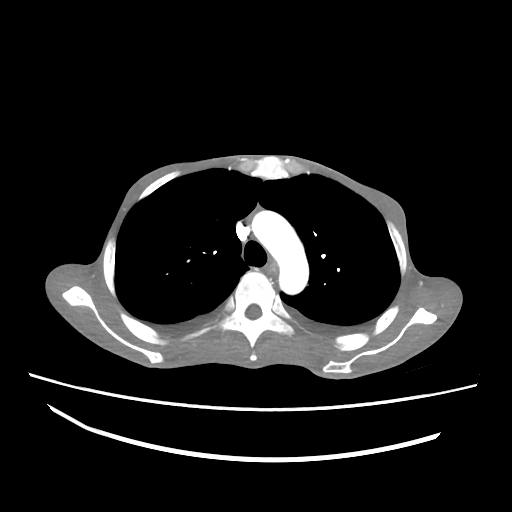

CT of the abdomen extending into the chest, slice through the chest · axial view · W/L 400/40 HU · 512x512 px · 15 organs annotated in this scan (that count is for the whole scan; organs this slice misses have no box)
On a slice this high in the chest, this dataset labels only the esophagus and the aorta, and each is boxed only where it is labeled; the heart, lungs and other chest structures are not labeled.
Boxes: x1 y1 x2 y2 (pixel coords, space-separated).
aorta: 252 210 308 294
esophagus: 266 265 275 276